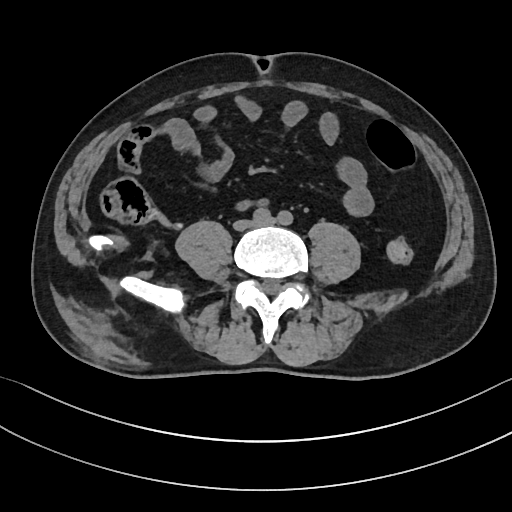 CT, abdomen/pelvis; axial view; SOMATOM Force scanner
Each box given as x1,y1,x2,y2.
inferior vena cava: x1=236, y1=220, x2=256, y2=228